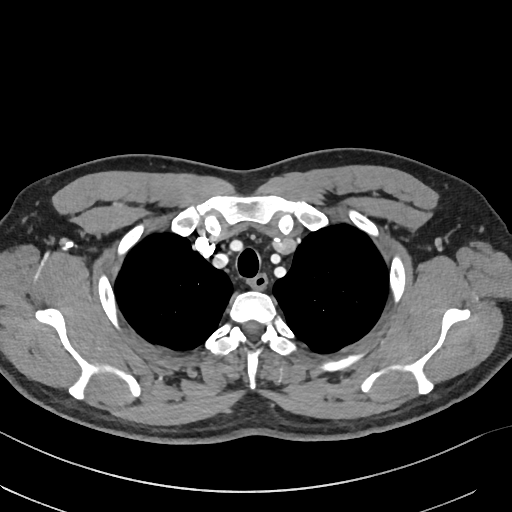

Abdominal CT reaching into the chest; this slice is in the chest — Axial slice 288/307 — soft-tissue window (W 400 / L 40) — 512x512 px — SOMATOM Force scanner
At this level of the chest no structure but the esophagus and the aorta has a label in this dataset, and those two are boxed only where they are labeled. Boxes: x1 y1 x2 y2 (pixel coords, space-separated). 1 labeled organ on this slice — esophagus at 249 274 267 287.